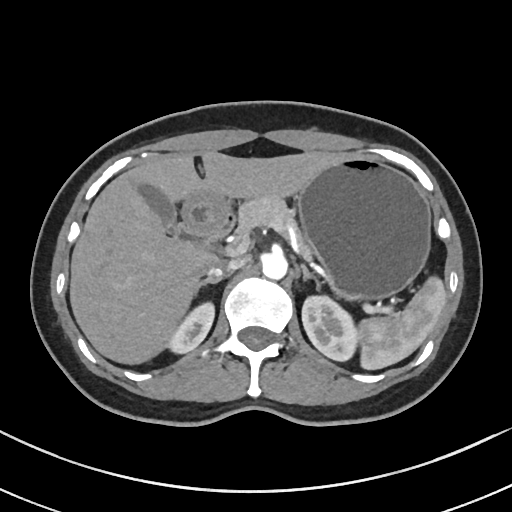 CT, abdomen/pelvis; axial view; soft-tissue window (W 400 / L 40); 15 organs annotated in this scan (that count is for the whole scan; organs this slice misses have no box)
One row per box, in pixels: columns x1 and y1 give the top-left corner, x2 and y2 the bottom-right.
| organ | x1 | y1 | x2 | y2 |
|---|---|---|---|---|
| aorta | 261 | 253 | 287 | 278 |
| pancreas | 234 | 193 | 313 | 259 |
| right kidney | 169 | 304 | 215 | 354 |
| inferior vena cava | 209 | 257 | 245 | 277 |
| gall bladder | 136 | 182 | 177 | 234 |
| duodenum | 175 | 210 | 233 | 250 |
| left adrenal gland | 300 | 264 | 320 | 284 |
| stomach | 183 | 155 | 429 | 297 |
| left kidney | 302 | 293 | 357 | 361 |
| spleen | 358 | 277 | 445 | 368 |
| right adrenal gland | 197 | 276 | 221 | 286 |
| liver | 70 | 150 | 342 | 363 |